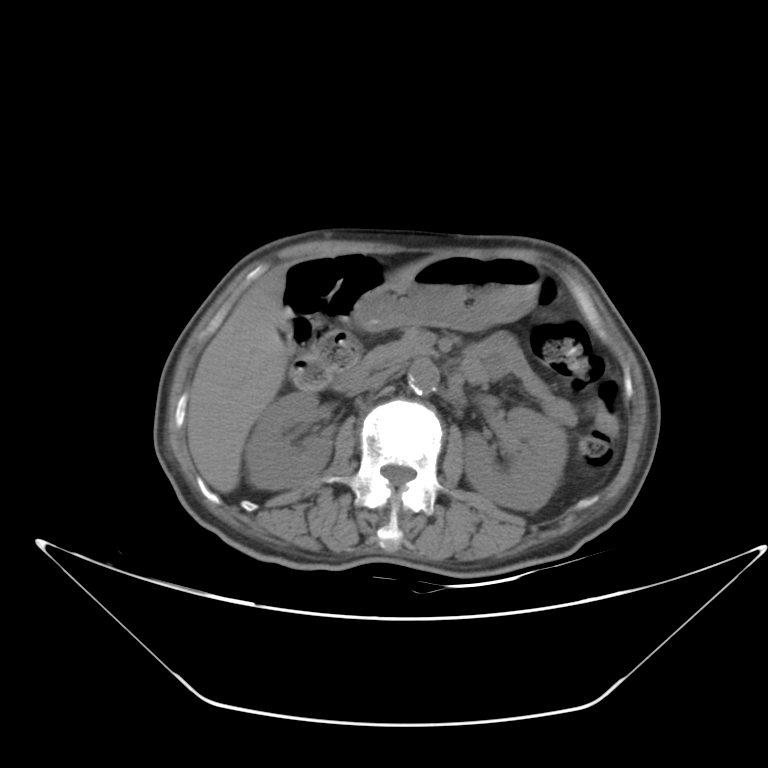
Computed tomography, abdomen. Axial slice 63/90. 69-year-old male patient
Organ boxes in pixel coordinates; each row gives the top-left (x1, y1) and bottom-right (x2, y2) corners.
| organ | x1 | y1 | x2 | y2 |
|---|---|---|---|---|
| right kidney | 247 | 392 | 330 | 489 |
| left kidney | 462 | 407 | 568 | 510 |
| liver | 189 | 264 | 286 | 492 |
| stomach | 354 | 253 | 542 | 331 |
| aorta | 407 | 359 | 438 | 394 |
| inferior vena cava | 361 | 369 | 395 | 390 |
| pancreas | 371 | 330 | 431 | 374 |
| duodenum | 333 | 359 | 372 | 394 |